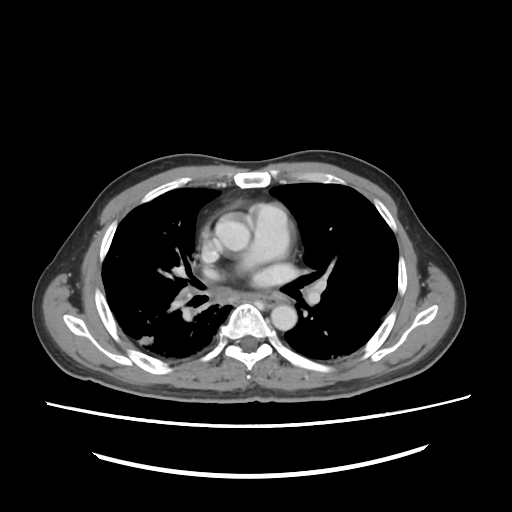
CT of the abdomen reaching into the lower chest, slice just above the liver and spleen. axial view. W/L 400/40 HU. 512x512 px. 45-year-old male patient. acquired on Aquilion ONE
Of the structures in the chest, this dataset labels only the esophagus, the aorta and the inferior vena cava; the heart and lungs have no label.
{"organs":{"aorta":[[215,215,250,249],[270,307,296,331]]}}